CT, abdomen/pelvis. axial plane, index 73. 15 organs annotated in this scan (a whole-scan count: organs this slice does not pass through have no box)
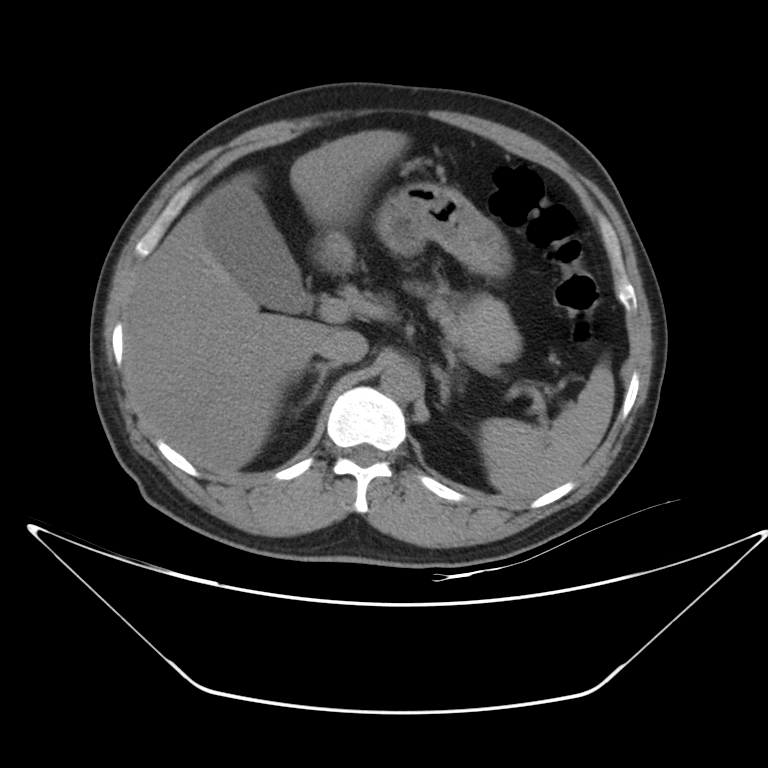

Each box given as x1,y1,x2,y2. Labeled organs on this slice: spleen at x1=480, y1=362, x2=614, y2=498, gall bladder at x1=207, y1=186, x2=308, y2=312, liver at x1=124, y1=129, x2=407, y2=473, stomach at x1=317, y1=182, x2=511, y2=277, aorta at x1=380, y1=360, x2=421, y2=401, inferior vena cava at x1=317, y1=328, x2=368, y2=365, pancreas at x1=427, y1=294, x2=521, y2=362, right adrenal gland at x1=291, y1=363, x2=337, y2=404, left adrenal gland at x1=433, y1=365, x2=451, y2=402.